Computed tomography, abdomen; axial view; soft-tissue window (W 400 / L 40); 71-year-old female patient
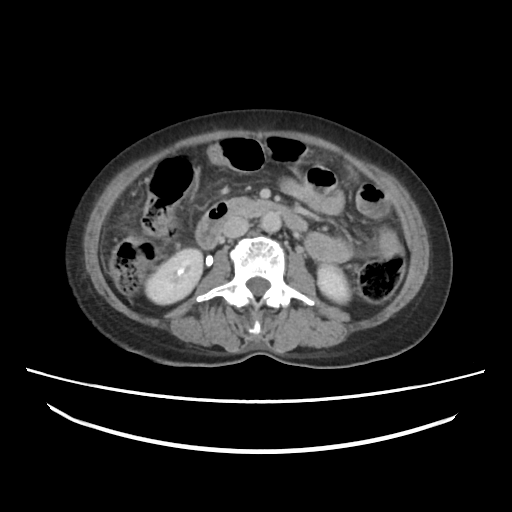 <organs><organ name="aorta" x1="260" y1="212" x2="281" y2="231"/><organ name="inferior vena cava" x1="222" y1="217" x2="248" y2="237"/><organ name="right kidney" x1="145" y1="248" x2="202" y2="304"/><organ name="left kidney" x1="318" y1="261" x2="351" y2="302"/><organ name="duodenum" x1="195" y1="197" x2="308" y2="249"/></organs>